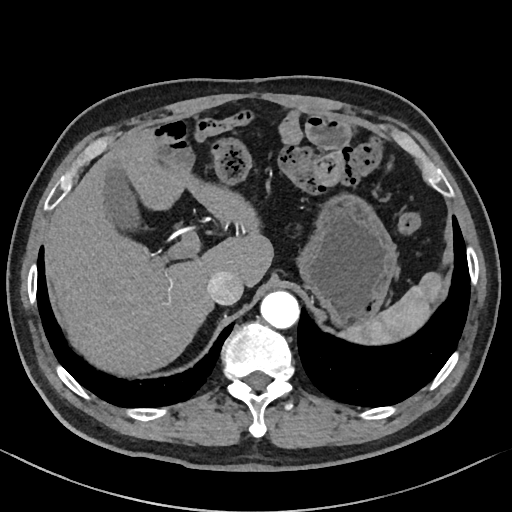
CT abdomen · axial view · soft-tissue window (W 400 / L 40)
Boxes: x1 y1 x2 y2 (pixel coords, space-separated).
spleen: 340 272 442 344
aorta: 260 291 299 328
gall bladder: 104 168 141 231
inferior vena cava: 207 271 243 304
liver: 45 129 273 376
stomach: 296 193 397 326